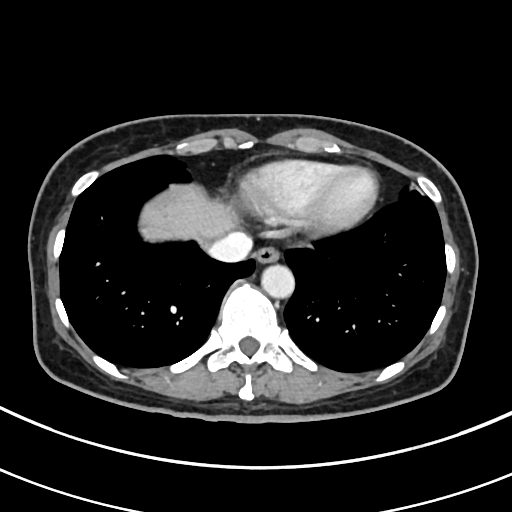 Abdominal CT — Axial slice 184/192 — 512x512 px
Organ boxes in pixel coordinates; each row gives the top-left (x1, y1) and bottom-right (x2, y2) corners.
| organ | x1 | y1 | x2 | y2 |
|---|---|---|---|---|
| esophagus | 253 | 246 | 279 | 263 |
| liver | 140 | 184 | 236 | 242 |
| aorta | 261 | 264 | 294 | 298 |
| inferior vena cava | 207 | 232 | 251 | 262 |